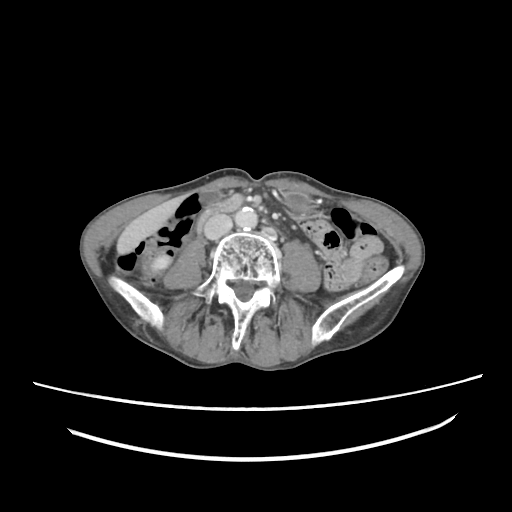

CT abdomen · axial plane, index 41 · 59-year-old male patient · Aquilion ONE scanner · 15 organs annotated in this scan (a whole-scan count: organs this slice does not pass through have no box)
<organs><organ name="right kidney" x1="152" y1="255" x2="170" y2="270"/><organ name="gall bladder" x1="200" y1="190" x2="220" y2="203"/><organ name="liver" x1="117" y1="194" x2="186" y2="254"/><organ name="stomach" x1="285" y1="192" x2="310" y2="213"/><organ name="aorta" x1="235" y1="207" x2="257" y2="230"/><organ name="inferior vena cava" x1="204" y1="214" x2="232" y2="239"/><organ name="duodenum" x1="194" y1="194" x2="244" y2="234"/></organs>